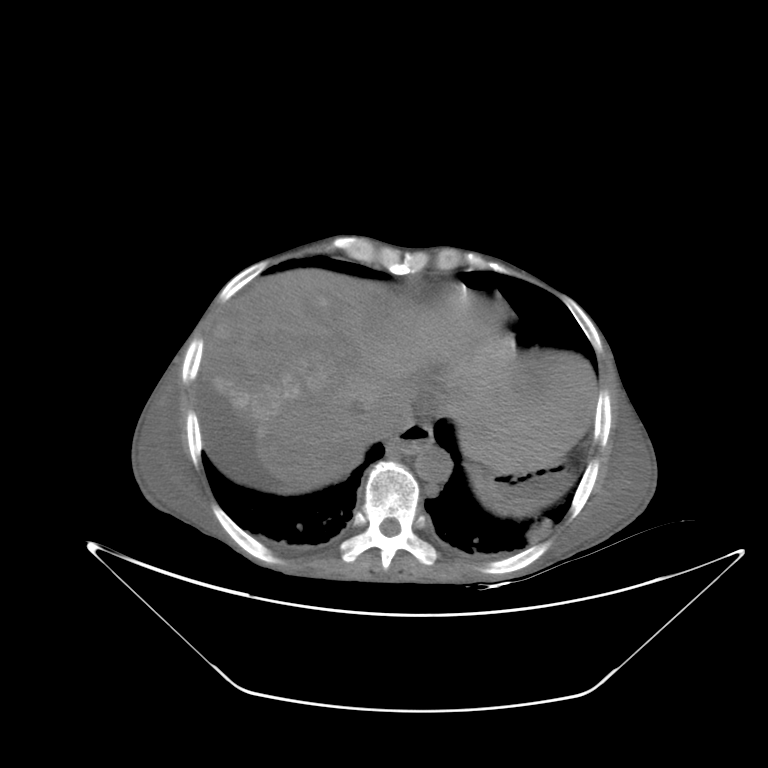
Computed tomography, abdomen — axial view — abdomen soft-tissue window — 768x768 px
Organ boxes in pixel coordinates; each row gives the top-left (x1, y1) and bottom-right (x2, y2) corners.
| organ | x1 | y1 | x2 | y2 |
|---|---|---|---|---|
| liver | 202 | 269 | 597 | 491 |
| esophagus | 386 | 423 | 433 | 456 |
| aorta | 414 | 447 | 452 | 482 |
| inferior vena cava | 366 | 393 | 413 | 440 |
| stomach | 476 | 462 | 571 | 513 |